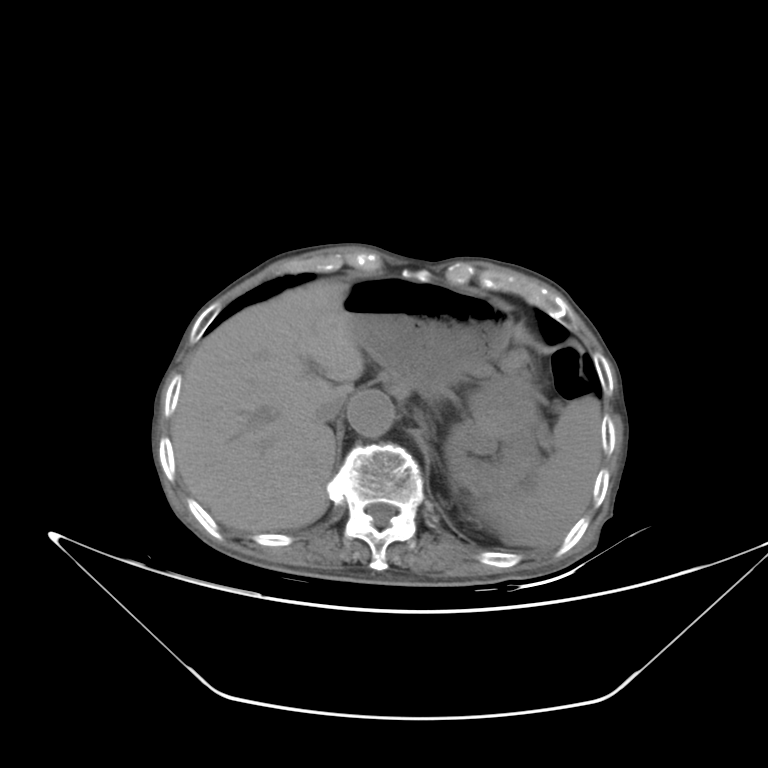

Abdominal CT; axial view
Boxes: x1 y1 x2 y2 (pixel coords, space-separated).
spleen: 475 396 601 548
left kidney: 446 379 540 496
liver: 173 281 361 528
stomach: 342 276 511 399
aorta: 347 392 394 436
inferior vena cava: 317 395 348 423
left adrenal gland: 429 402 443 427